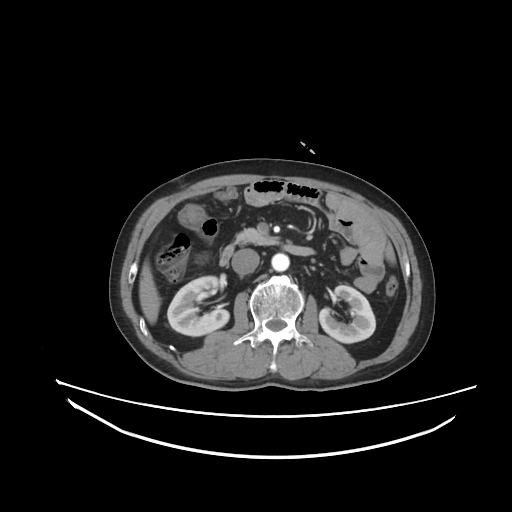
CT abdomen · axial view · 512x512 px · 52-year-old male patient · 15 organs annotated in this scan (a whole-scan count: organs this slice does not pass through have no box)
<organs><organ name="right kidney" x1="167" y1="276" x2="229" y2="336"/><organ name="left kidney" x1="319" y1="285" x2="375" y2="343"/><organ name="liver" x1="139" y1="260" x2="160" y2="324"/><organ name="aorta" x1="271" y1="253" x2="289" y2="271"/><organ name="inferior vena cava" x1="231" y1="248" x2="259" y2="274"/><organ name="pancreas" x1="235" y1="228" x2="277" y2="245"/><organ name="duodenum" x1="220" y1="244" x2="314" y2="265"/></organs>